CT abdomen. axial view. W/L 400/40 HU
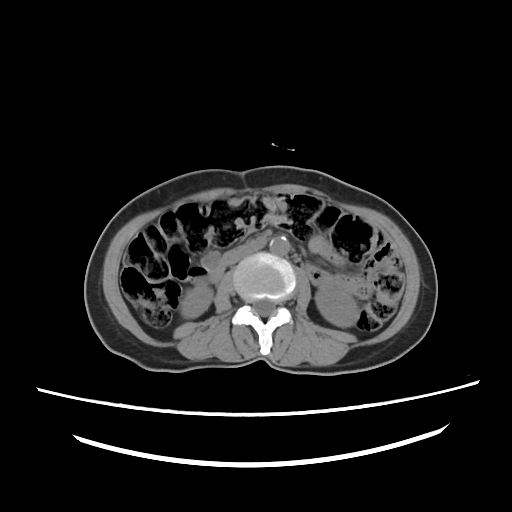
{"organs":{"right kidney":[179,284,212,318],"left kidney":[315,287,358,327],"aorta":[269,237,289,255],"inferior vena cava":[223,245,257,265]}}